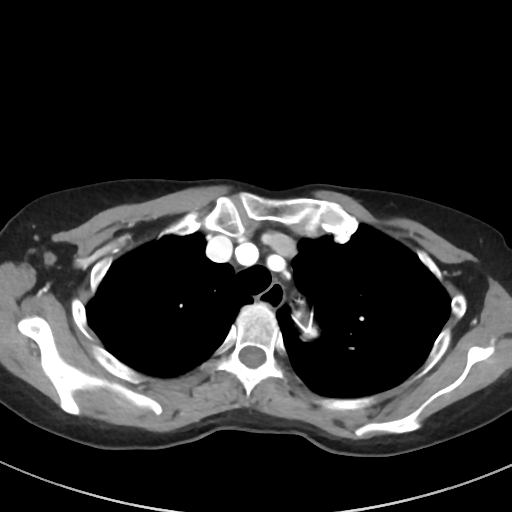
Chest-level slice from an abdominal CT that extends up into the chest. axial plane, index 107
On a slice this high in the chest, this dataset labels only the esophagus and the aorta, and each is boxed only where it is labeled; the heart, lungs and other chest structures are not labeled.
Box edges are left/top/right/bottom in pixels.
esophagus: left=257, top=282, right=285, bottom=305